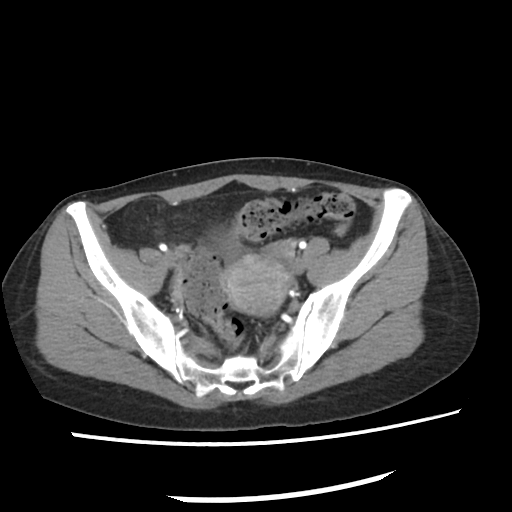 Computed tomography, abdomen. axial plane, index 25. soft-tissue window (W 400 / L 40). 512x512 px. scan has 15 labeled organs (counted over the whole 3D scan, not this slice; an organ is boxed only where this slice passes through it)
Boxes are (x1, y1, x2, y2) in pixels. The annotated organs in this slice are: bladder at (208, 226, 237, 254), prostate/uterus at (225, 252, 289, 313).